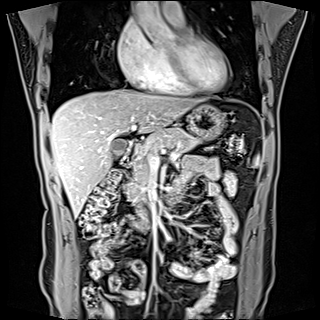 Abdominal MR; coronal plane, index 40
Bounding boxes as [x1, y1, x2, y2] in pixel coordinates.
Organ bounding boxes:
- liver: [50, 89, 199, 216]
- duodenum: [122, 140, 180, 202]
- stomach: [188, 104, 225, 140]
- gall bladder: [111, 139, 126, 158]
- pancreas: [126, 127, 199, 202]